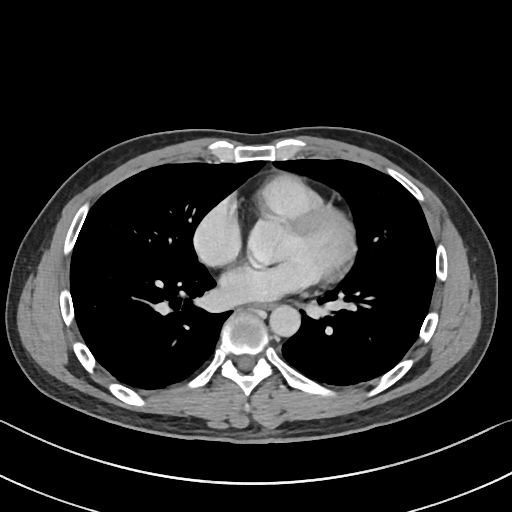 Lower-chest slice from an abdominal CT, just above the liver and spleen; axial view; 512x512 px
Of the structures in the chest, this dataset labels only the esophagus, the aorta and the inferior vena cava; the heart and lungs have no label.
Bounding boxes in pixels, one row per box: x1, y1 is the top-left corner and x2, y2 the bottom-right.
| organ | x1 | y1 | x2 | y2 |
|---|---|---|---|---|
| esophagus | 254 | 303 | 273 | 310 |
| aorta | 269 | 306 | 300 | 337 |